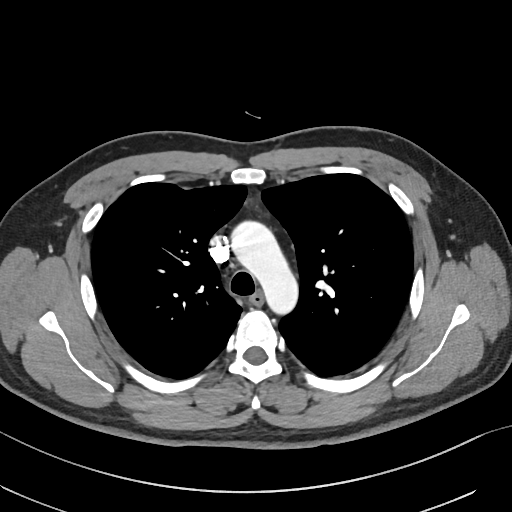

Abdominal CT reaching into the chest; this slice is in the chest — axial view — soft-tissue window, W/L 400/40 — scan has 15 labeled organs (a whole-scan count: organs this slice does not pass through have no box)
On a slice this high in the chest, this dataset labels only the esophagus and the aorta, and each is boxed only where it is labeled; the heart, lungs and other chest structures are not labeled.
One row per box, in pixels: columns x1 and y1 give the top-left corner, x2 and y2 the bottom-right.
| organ | x1 | y1 | x2 | y2 |
|---|---|---|---|---|
| esophagus | 250 | 291 | 263 | 305 |
| aorta | 229 | 221 | 297 | 314 |